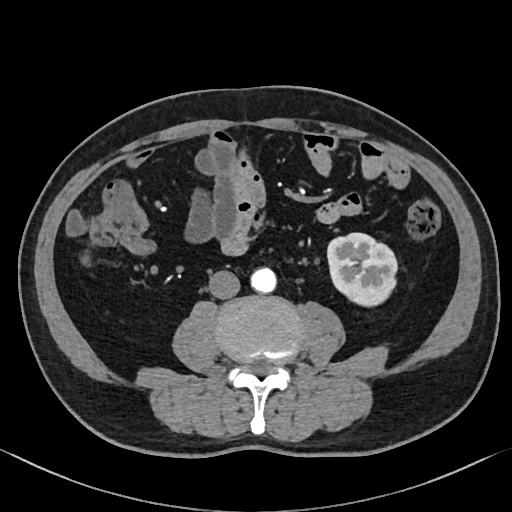
Computed tomography, abdomen · axial view · soft-tissue window · 512x512 px
Box edges are left/top/right/bottom in pixels.
Organ bounding boxes:
- aorta: left=250, top=267, right=275, bottom=292
- left kidney: left=328, top=233, right=396, bottom=304
- inferior vena cava: left=207, top=270, right=239, bottom=299